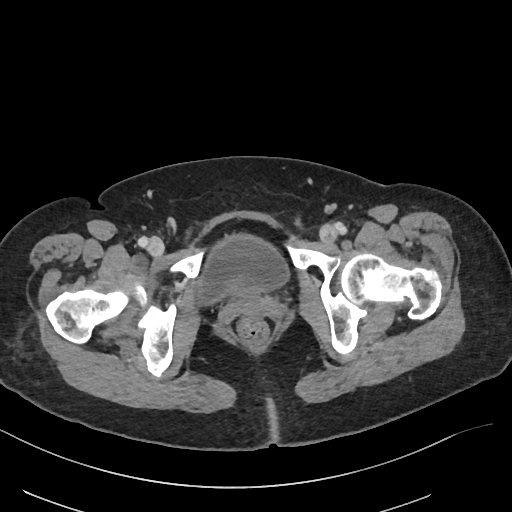 Abdominal CT · axial view · soft-tissue window (W 400 / L 40) · 512x512 px · 15 organs annotated in this scan (counted over the whole 3D scan, not this slice; an organ is boxed only where this slice passes through it)
<organs><organ name="bladder" x1="195" y1="233" x2="290" y2="306"/></organs>